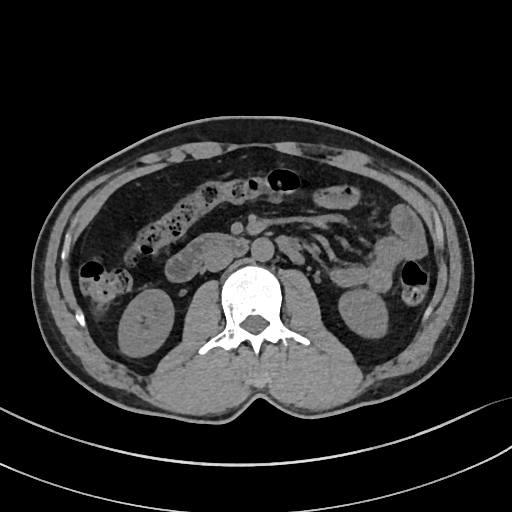

Computed tomography, abdomen; axial view
<organs><organ name="right kidney" x1="120" y1="289" x2="173" y2="355"/><organ name="left kidney" x1="339" y1="290" x2="387" y2="336"/><organ name="aorta" x1="251" y1="237" x2="273" y2="260"/><organ name="inferior vena cava" x1="204" y1="247" x2="235" y2="271"/><organ name="duodenum" x1="166" y1="233" x2="302" y2="281"/></organs>